Abdominal CT. axial view. soft-tissue window (W 400 / L 40)
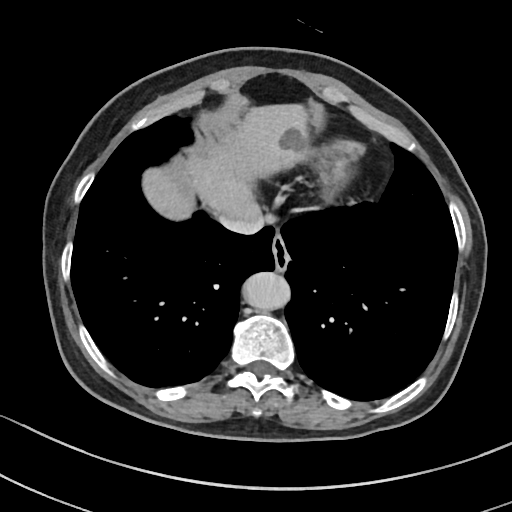 Box edges are left/top/right/bottom in pixels.
inferior vena cava: left=219, top=208, right=264, bottom=234
esophagus: left=272, top=231, right=289, bottom=269
aorta: left=240, top=271, right=287, bottom=309
liver: left=144, top=104, right=308, bottom=219